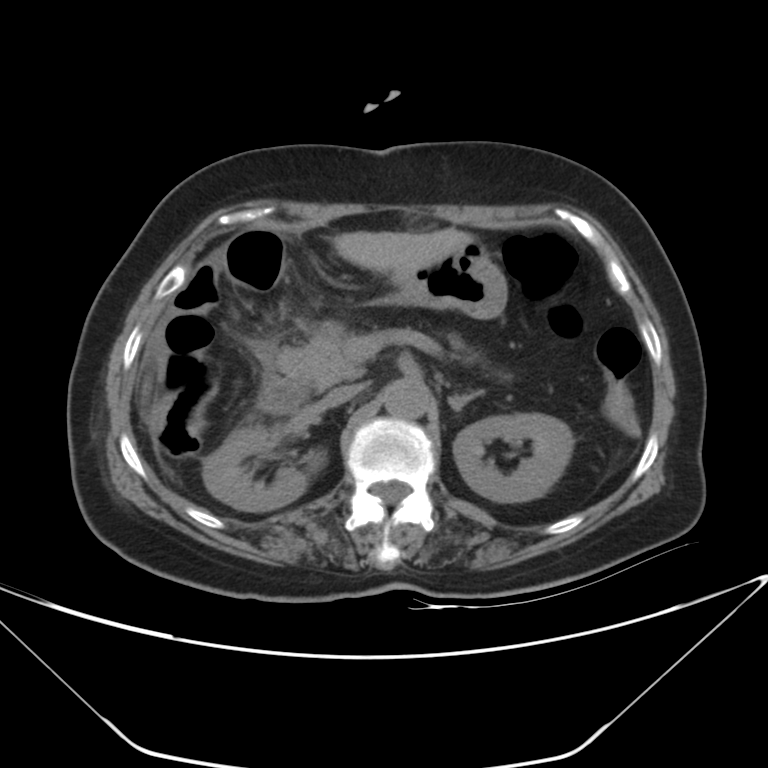
Abdominal CT. axial view. soft-tissue window (W 400 / L 40). 768x768 px
<organs><organ name="stomach" x1="394" y1="240" x2="507" y2="319"/><organ name="left kidney" x1="453" y1="413" x2="573" y2="502"/><organ name="liver" x1="332" y1="228" x2="475" y2="281"/><organ name="right kidney" x1="202" y1="424" x2="327" y2="511"/><organ name="duodenum" x1="258" y1="362" x2="307" y2="414"/><organ name="left adrenal gland" x1="448" y1="391" x2="481" y2="410"/><organ name="inferior vena cava" x1="323" y1="384" x2="361" y2="407"/><organ name="pancreas" x1="277" y1="322" x2="488" y2="388"/><organ name="aorta" x1="382" y1="377" x2="430" y2="419"/></organs>